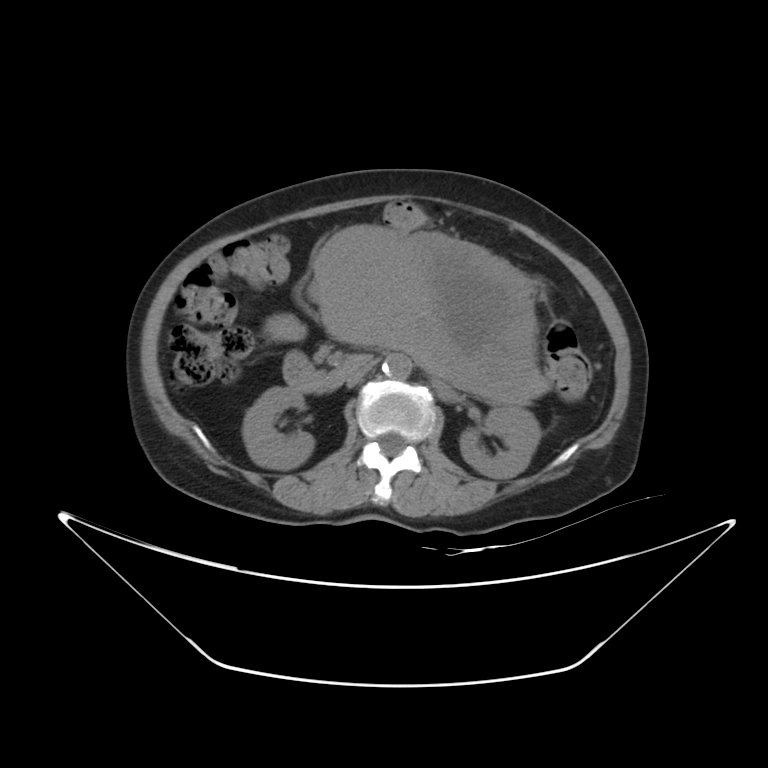
Abdominal CT · axial view · abdomen soft-tissue window · 768x768 px · 66-year-old female patient · scan has 15 labeled organs (a whole-scan count: organs this slice does not pass through have no box)
Boxes: x1 y1 x2 y2 (pixel coords, space-separated). Labeled organs on this slice: aorta at 382 353 412 380, right kidney at 242 387 314 469, duodenum at 283 352 368 393, left kidney at 460 404 540 478, pancreas at 411 353 546 404, stomach at 311 226 540 389, inferior vena cava at 345 359 372 386.